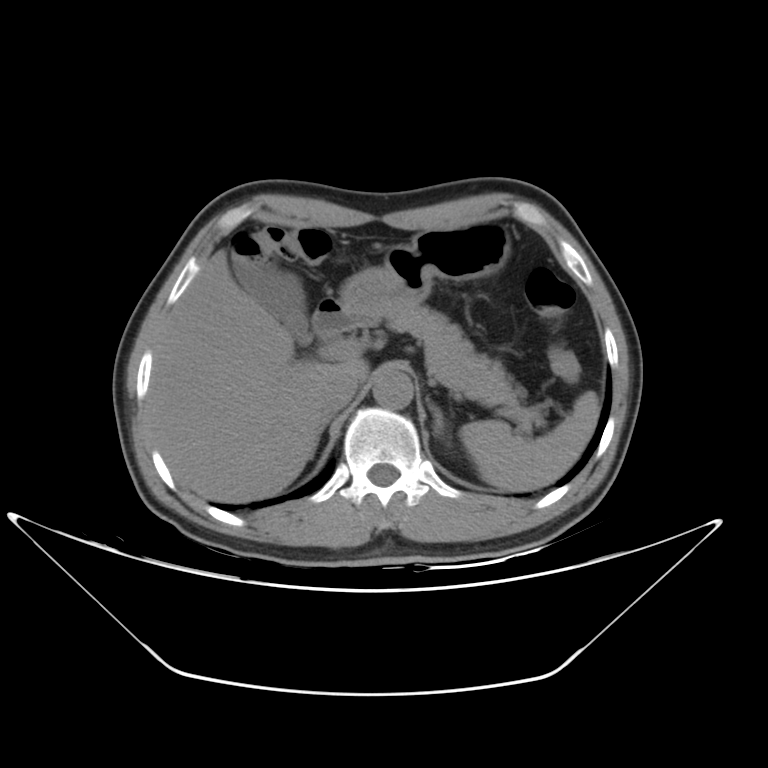 CT, abdomen/pelvis · axial plane, index 84 · soft-tissue window (W 400 / L 40) · 768x768 px · 53-year-old male patient · 15 organs annotated in this scan (that count is for the whole scan; organs this slice misses have no box)
Boxes are (x1, y1, x2, y2) in pixels.
spleen: (460, 390, 600, 490)
gall bladder: (233, 260, 312, 343)
liver: (148, 249, 366, 500)
stomach: (339, 224, 510, 323)
aorta: (372, 370, 414, 407)
inferior vena cava: (318, 365, 356, 413)
pancreas: (377, 306, 519, 405)
right adrenal gland: (323, 416, 335, 428)
left adrenal gland: (425, 398, 443, 437)
duodenum: (312, 298, 355, 342)